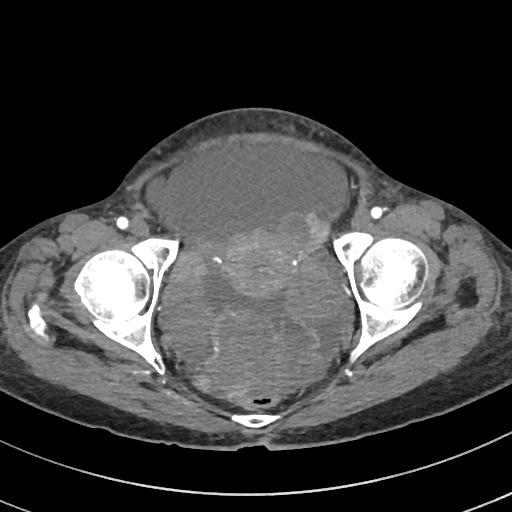

CT abdomen. Axial slice 30/237. 512x512 px
{"organs":{"prostate/uterus":[221,230,295,381]}}